CT of the abdomen reaching into the lower chest, slice just above the liver and spleen · axial view · soft-tissue window, W/L 400/40
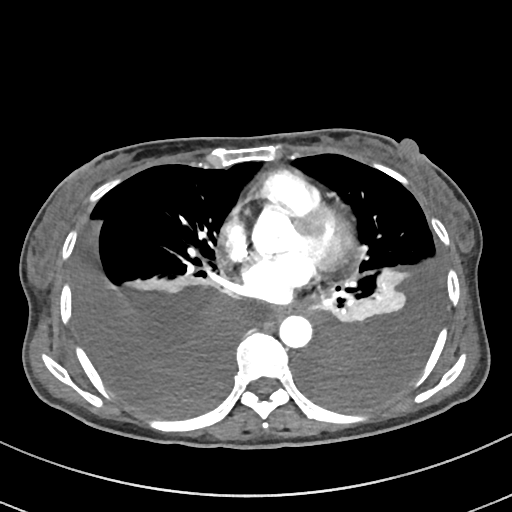
The heart and lungs are never labeled in this dataset, so they have no box on this slice. Coordinates as <box>x1,y1,x2,y2</box> in pixels. The annotated organs in this slice are: esophagus at <box>270,307,293,317</box>, aorta at <box>279,315,312,347</box>.